Computed tomography, abdomen · axial view · 512x512 px · 15 organs annotated in this scan (a whole-scan count: organs this slice does not pass through have no box)
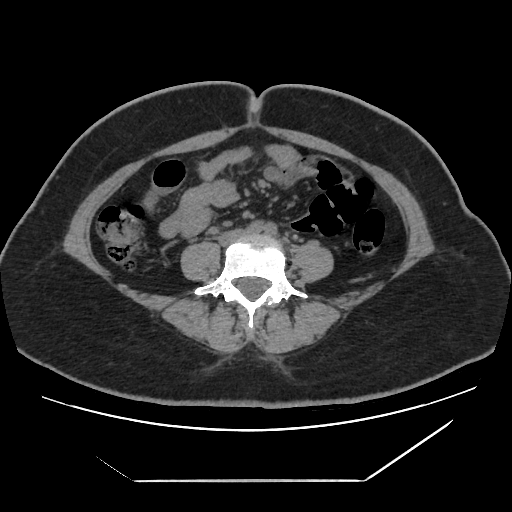

Bounding boxes in pixels, one row per box: x1, y1 is the top-left corner and x2, y2 the bottom-right.
| organ | x1 | y1 | x2 | y2 |
|---|---|---|---|---|
| inferior vena cava | 224 | 230 | 242 | 239 |